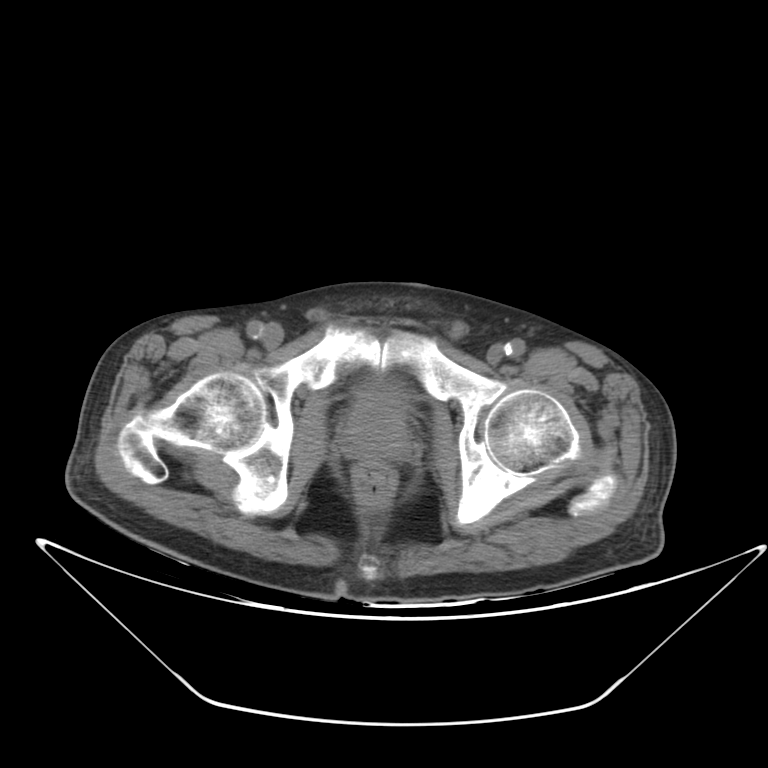

CT abdomen. Axial slice 17/90. acquired on Brilliance16
{"organs":{"prostate/uterus":[339,392,412,465]}}